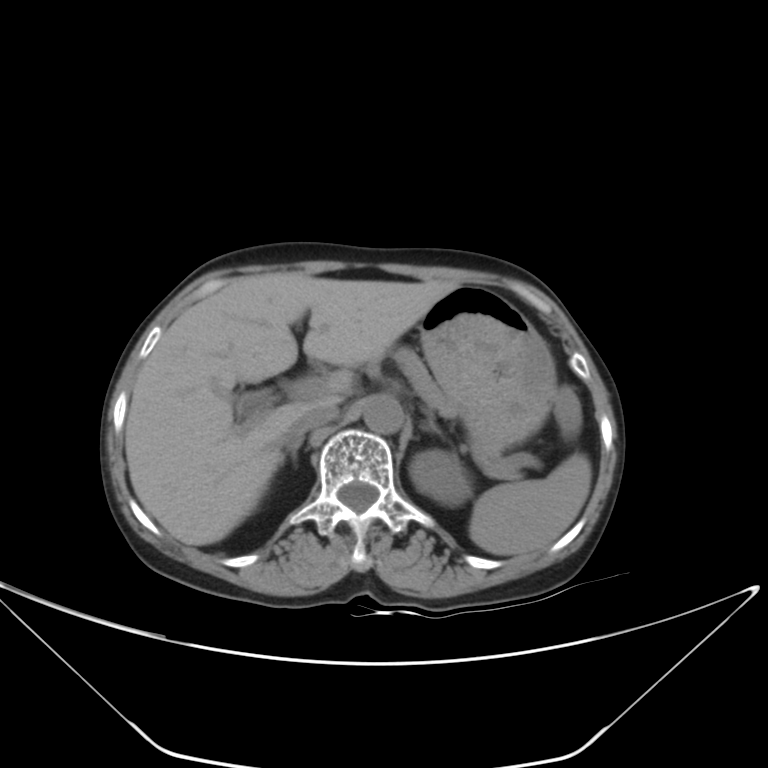

Abdominal CT; axial view; soft-tissue window (W 400 / L 40); 768x768 px; 15 organs annotated in this scan (counted over the whole 3D scan, not this slice; an organ is boxed only where this slice passes through it)
Boxes are (x1, y1, x2, y2) in pixels. Labeled organs on this slice: spleen at (469, 453, 591, 556), left kidney at (410, 449, 471, 506), liver at (125, 273, 457, 545), stomach at (418, 286, 554, 447), aorta at (363, 395, 403, 433), inferior vena cava at (287, 407, 339, 436), pancreas at (393, 347, 519, 478), right adrenal gland at (283, 433, 304, 464), left adrenal gland at (428, 420, 440, 431).